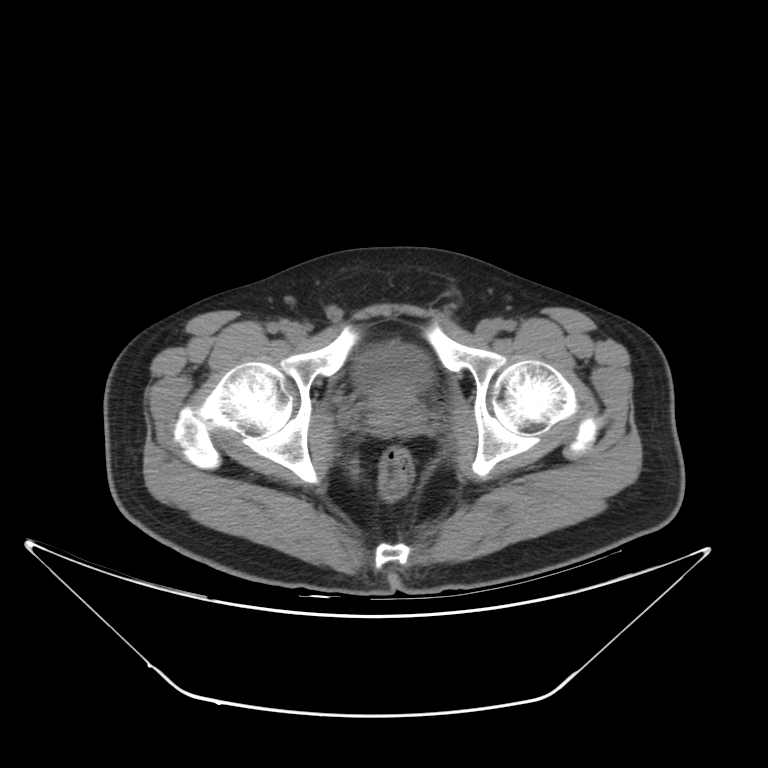

CT abdomen; axial plane, index 20; 768x768 px; 40-year-old male patient
Bounding boxes as [x1, y1, x2, y2] in pixel coordinates.
bladder: [353, 344, 432, 397]
prostate/uterus: [363, 396, 423, 428]